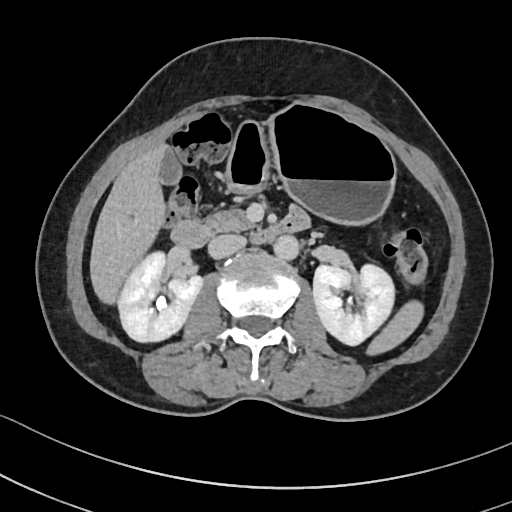
CT, abdomen/pelvis — axial view — soft-tissue window (W 400 / L 40) — acquired on SOMATOM Force
{"organs":{"stomach":[226,104,394,222],"inferior vena cava":[208,234,246,258],"spleen":[370,305,421,353],"right kidney":[116,251,200,342],"pancreas":[207,207,251,232],"duodenum":[172,210,310,248],"gall bladder":[158,149,179,183],"liver":[90,143,164,302],"aorta":[273,235,299,259],"left kidney":[313,262,395,346]}}